Abdominal CT; axial view; abdomen soft-tissue window; 512x512 px; 31-year-old male patient
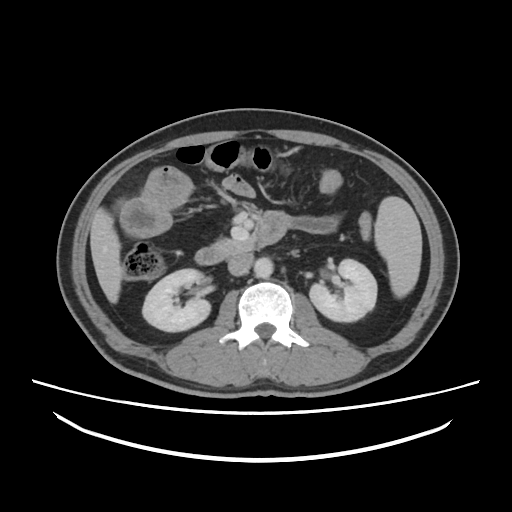 Box edges are left/top/right/bottom in pixels.
spleen: left=374, top=196, right=421, bottom=297
right kidney: left=142, top=268, right=210, bottom=331
left kidney: left=309, top=259, right=377, bottom=321
liver: left=90, top=208, right=123, bottom=303
aorta: left=254, top=257, right=273, bottom=278
inferior vena cava: left=228, top=253, right=253, bottom=276
pancreas: left=215, top=239, right=232, bottom=245
duodenum: left=195, top=211, right=286, bottom=264